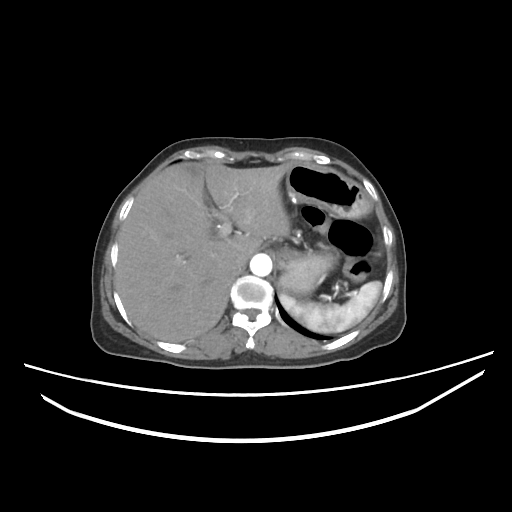
CT, abdomen/pelvis; axial view; soft-tissue window; 512x512 px; 63-year-old female patient
Boxes are (x1, y1, x2, y2) in pixels. Labeled organs on this slice: spleen at (279, 281, 382, 332), liver at (116, 164, 292, 341), stomach at (279, 165, 369, 294), aorta at (249, 254, 271, 276), inferior vena cava at (232, 252, 248, 270).